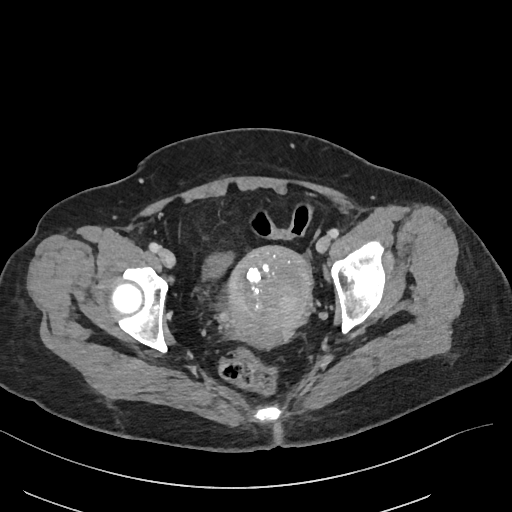
Computed tomography, abdomen · axial view · scan has 15 labeled organs (counted over the whole 3D scan, not this slice; an organ is boxed only where this slice passes through it)
Box edges are left/top/right/bottom in pixels. 2 labeled organs on this slice — bladder at left=203, top=254, right=231, bottom=279; prostate/uterus at left=227, top=246, right=312, bottom=347.